CT, abdomen/pelvis; axial plane, index 22; abdomen soft-tissue window
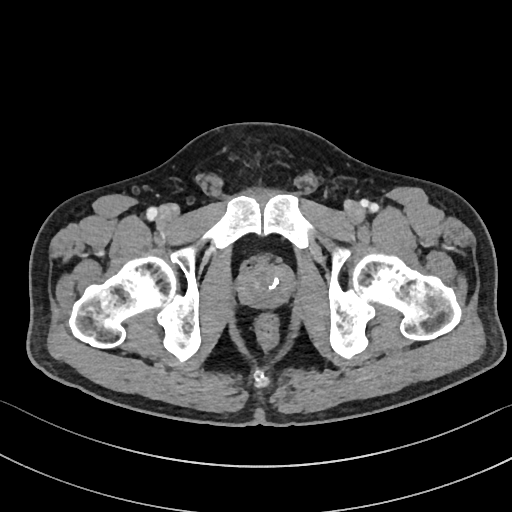

Each box given as x1,y1,x2,y2.
prostate/uterus: x1=238, y1=262, x2=291, y2=307